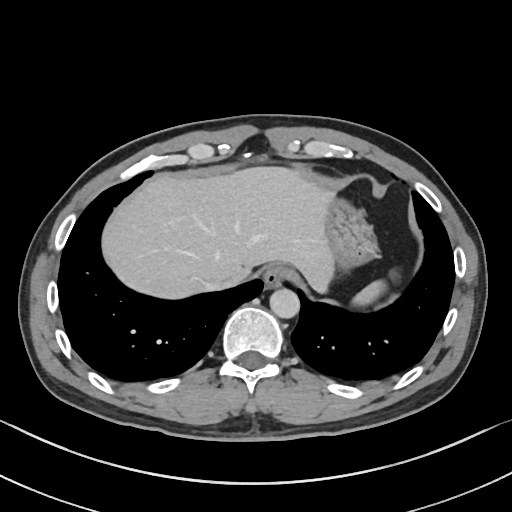

Abdominal CT; axial view; soft-tissue window (W 400 / L 40); SOMATOM Force scanner
Each box given as x1,y1,x2,y2.
Organ bounding boxes:
- spleen: x1=352, y1=280, x2=385, y2=306
- esophagus: x1=262, y1=265, x2=291, y2=287
- liver: x1=102, y1=166, x2=334, y2=298
- stomach: x1=324, y1=191, x2=378, y2=271
- aorta: x1=270, y1=288, x2=299, y2=318
- inferior vena cava: x1=205, y1=277, x2=228, y2=289